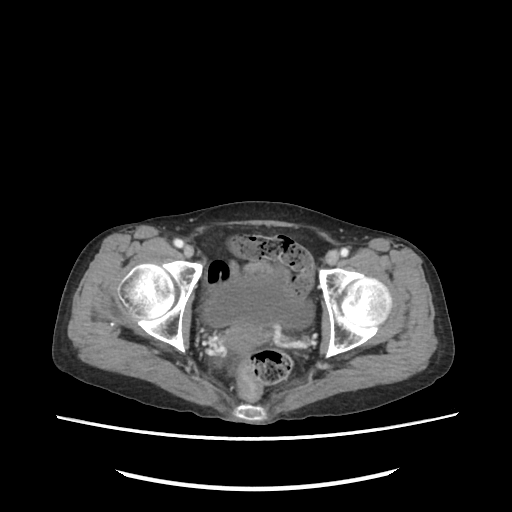

CT abdomen. axial view
{"organs":{"bladder":[205,277,314,330],"prostate/uterus":[221,322,274,351]}}